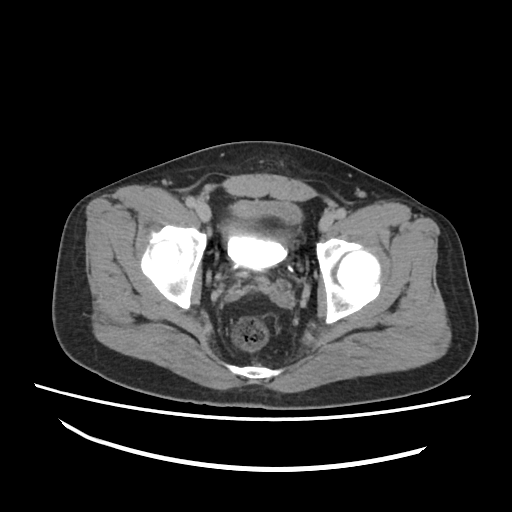 CT, abdomen/pelvis. axial view. soft-tissue window (W 400 / L 40). 512x512 px
Each box given as x1,y1,x2,y2.
Organ bounding boxes:
- bladder: x1=223, y1=201, x2=300, y2=268